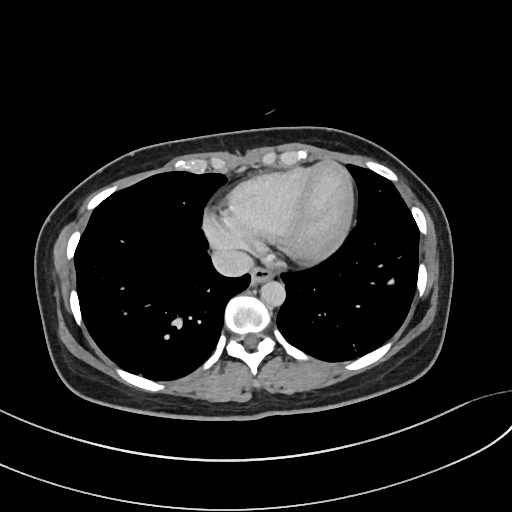 Lower-chest slice from an abdominal CT, just above the liver and spleen — axial view — soft-tissue window (W 400 / L 40) — 512x512 px
No part of the heart or lungs is labeled in this dataset, so neither has a box here.
Each box given as x1,y1,x2,y2.
esophagus: x1=250, y1=268, x2=273, y2=284
aorta: x1=261, y1=281, x2=285, y2=307
inferior vena cava: x1=212, y1=249, x2=253, y2=276